Abdominal CT · Axial slice 53/89 · soft-tissue window (W 400 / L 40) · Aquilion ONE scanner · 15 organs annotated in this scan (counted over the whole 3D scan, not this slice; an organ is boxed only where this slice passes through it)
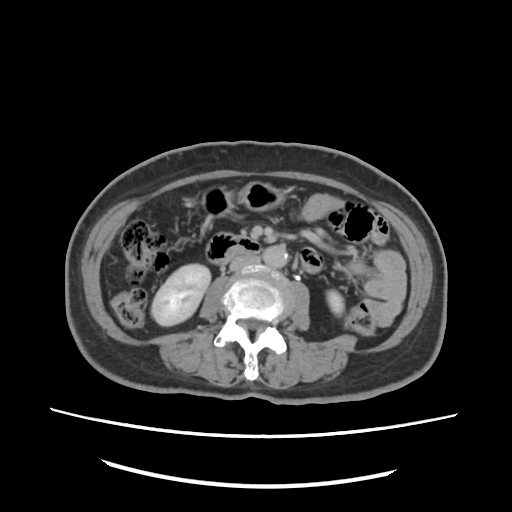

<organs><organ name="right kidney" x1="151" y1="263" x2="210" y2="325"/><organ name="left kidney" x1="328" y1="290" x2="344" y2="314"/><organ name="stomach" x1="203" y1="184" x2="280" y2="214"/><organ name="aorta" x1="264" y1="246" x2="288" y2="268"/><organ name="inferior vena cava" x1="227" y1="256" x2="258" y2="271"/><organ name="duodenum" x1="205" y1="233" x2="259" y2="261"/></organs>